Abdominal CT — axial plane, index 61 — W/L 400/40 HU — 768x768 px — 53-year-old male patient
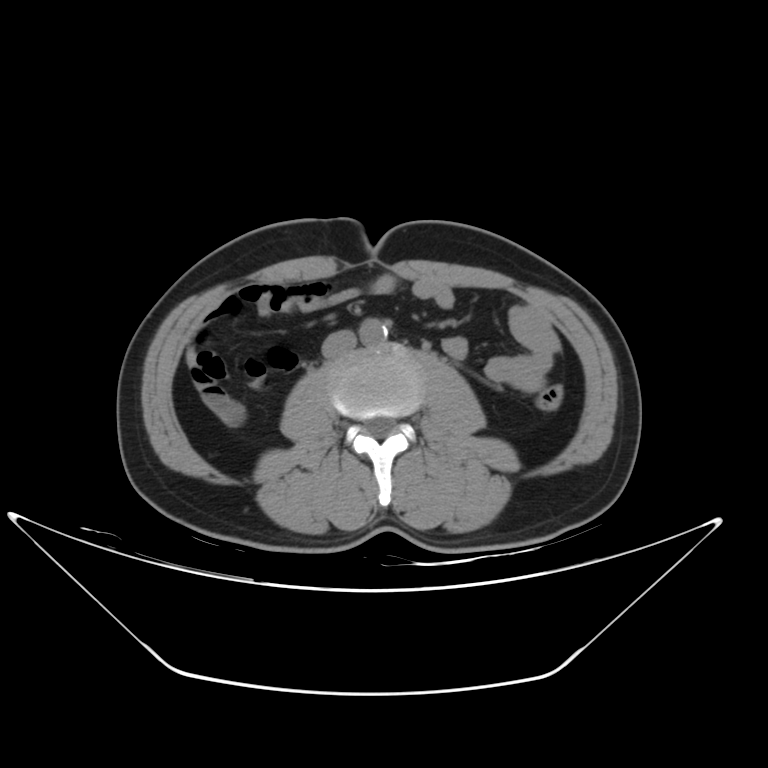
Boxes: x1 y1 x2 y2 (pixel coords, space-separated). 2 labeled organs on this slice — aorta at 359 319 387 344; inferior vena cava at 323 329 356 359.